CT, abdomen/pelvis; axial view; abdomen soft-tissue window; 512x512 px; acquired on SOMATOM Force; 14 organs annotated in this scan (a whole-scan count: organs this slice does not pass through have no box)
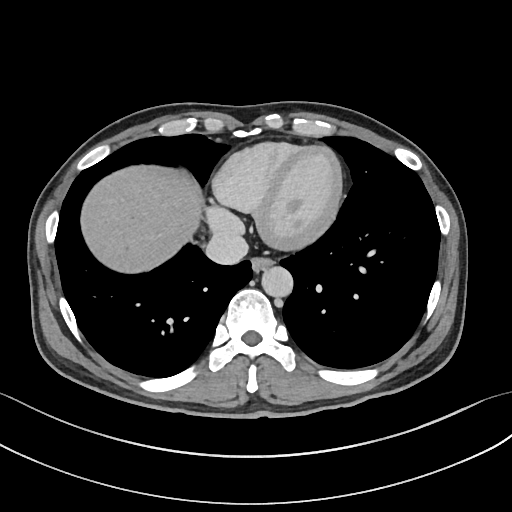 Box edges are left/top/right/bottom in pixels.
inferior vena cava: left=205, top=232, right=248, bottom=265
aorta: left=260, top=266, right=292, bottom=297
liver: left=80, top=164, right=201, bottom=273
esophagus: left=252, top=255, right=273, bottom=271